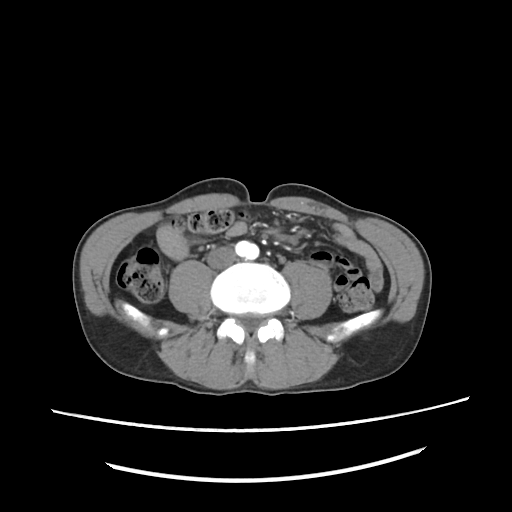
Abdominal CT · Axial slice 50/86 · abdomen soft-tissue window · Aquilion ONE scanner
Box edges are left/top/right/bottom in pixels.
aorta: left=249, top=257, right=250, bottom=258
inferior vena cava: left=209, top=246, right=236, bottom=268